CT, abdomen/pelvis — axial plane, index 22 — abdomen soft-tissue window — SOMATOM Force scanner
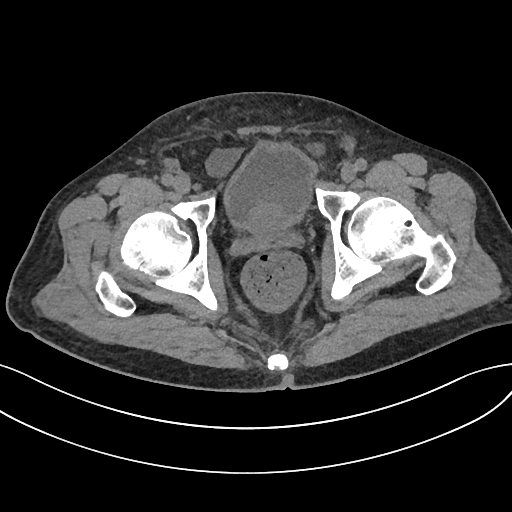
<organs><organ name="prostate/uterus" x1="245" y1="209" x2="291" y2="237"/><organ name="bladder" x1="224" y1="141" x2="316" y2="226"/></organs>